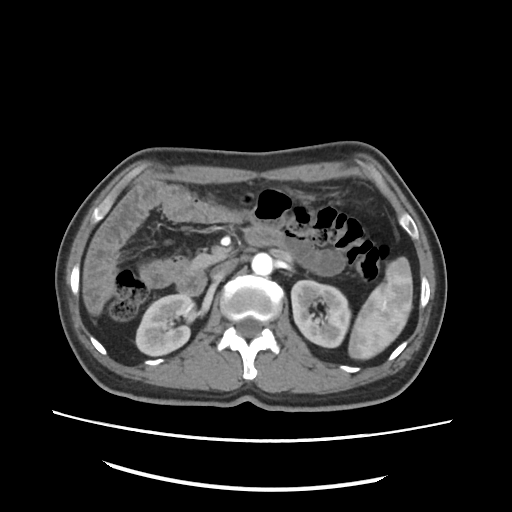
Computed tomography, abdomen. axial view. 15 organs annotated in this scan (a whole-scan count: organs this slice does not pass through have no box)
Boxes are (x1, y1, x2, y2) in pixels. The annotated organs in this slice are: spleen at (348, 166, 461, 360), right kidney at (136, 295, 193, 356), left kidney at (292, 280, 351, 347), aorta at (251, 252, 272, 275), inferior vena cava at (212, 260, 236, 280), pancreas at (191, 254, 222, 266), duodenum at (175, 227, 280, 294).